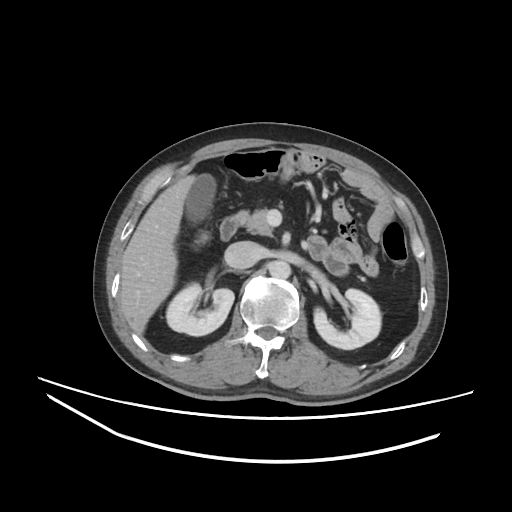
Abdominal CT · axial view · soft-tissue window (W 400 / L 40) · 54-year-old male patient · scan has 15 labeled organs (a whole-scan count: organs this slice does not pass through have no box)
Boxes: x1:y1:x2:y2 in pixels.
Organ bounding boxes:
- right kidney: 166:282:234:335
- left kidney: 314:289:381:349
- gall bladder: 185:174:216:223
- liver: 119:174:196:334
- aorta: 269:260:290:279
- inferior vena cava: 224:241:260:269
- pancreas: 245:209:272:236
- duodenum: 220:210:249:240